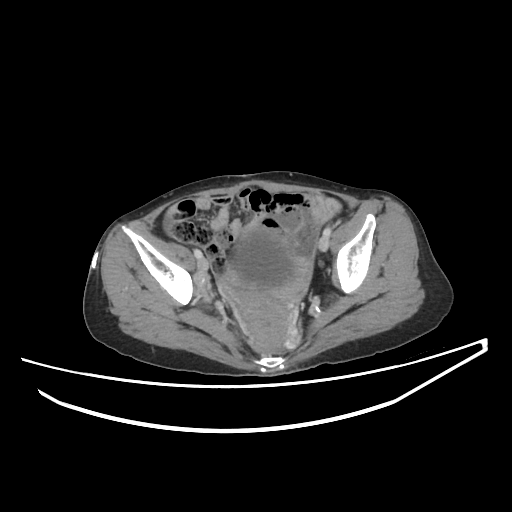

CT abdomen · Axial slice 22/116 · abdomen soft-tissue window · 62-year-old female patient · acquired on Aquilion ONE
Box edges are left/top/right/bottom in pixels.
prostate/uterus: left=234, top=291, right=295, bottom=347
bladder: left=233, top=225, right=296, bottom=291